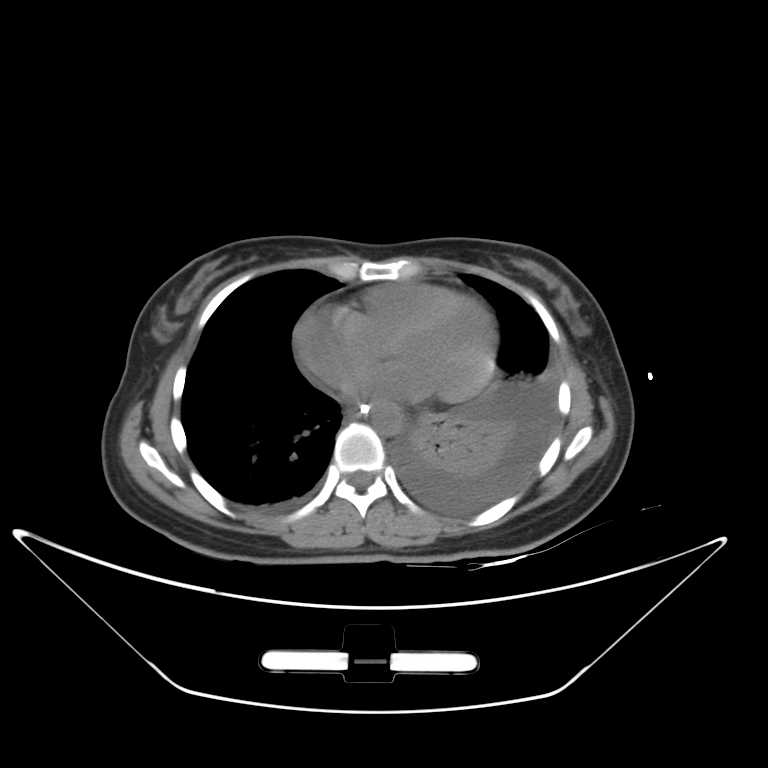 CT of the abdomen reaching into the lower chest, slice just above the liver and spleen; axial plane, index 92; soft-tissue window, W/L 400/40; Brilliance16 scanner; scan has 14 labeled organs (counted over the whole 3D scan, not this slice; an organ is boxed only where this slice passes through it)
The heart and lungs are never labeled in this dataset, so they have no box on this slice.
Bounding boxes in pixels, one row per box: x1, y1 is the top-left corner and x2, y2 the bottom-right.
| organ | x1 | y1 | x2 | y2 |
|---|---|---|---|---|
| esophagus | 347 | 403 | 362 | 412 |
| aorta | 370 | 401 | 402 | 436 |